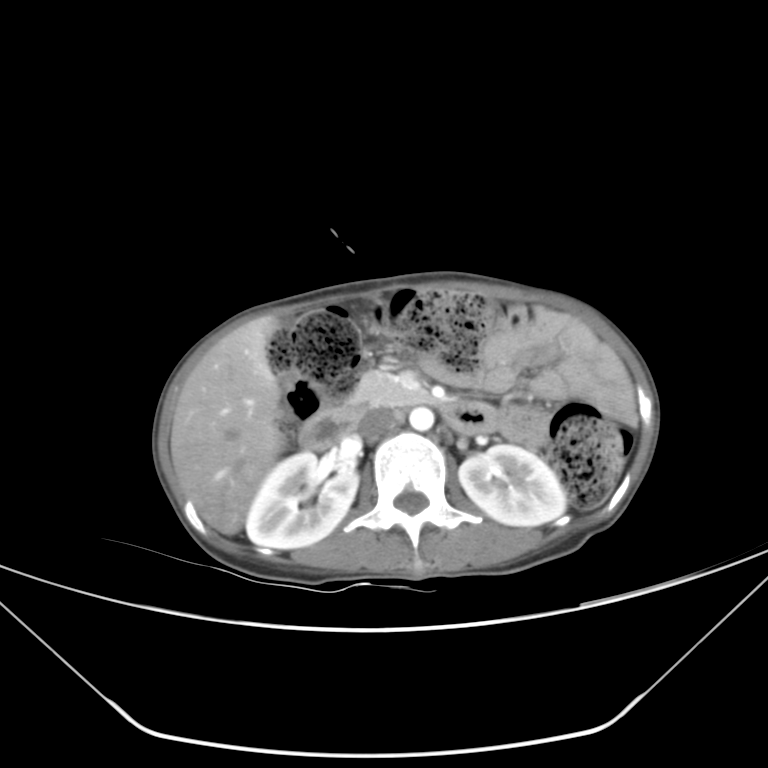 CT, abdomen/pelvis · axial view · 768x768 px
One row per box, in pixels: columns x1 and y1 give the top-left corner, x2 and y2 the bottom-right.
| organ | x1 | y1 | x2 | y2 |
|---|---|---|---|---|
| right kidney | 246 | 451 | 358 | 549 |
| left kidney | 458 | 444 | 566 | 526 |
| liver | 170 | 318 | 284 | 534 |
| aorta | 409 | 406 | 434 | 431 |
| inferior vena cava | 359 | 409 | 402 | 439 |
| pancreas | 343 | 370 | 426 | 411 |
| duodenum | 298 | 394 | 496 | 449 |